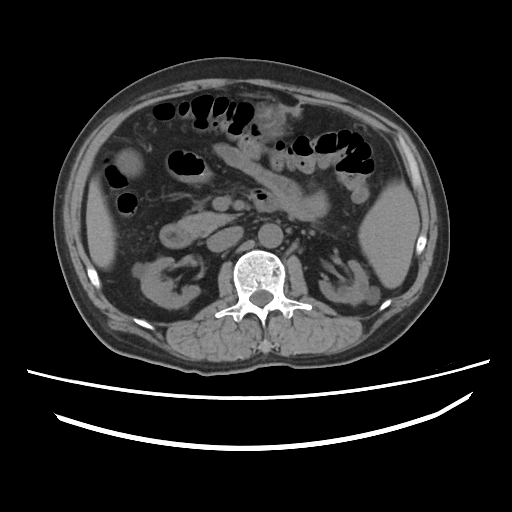
CT abdomen; axial plane, index 69; 512x512 px; acquired on Aquilion ONE
Organ boxes in pixel coordinates; each row gives the top-left (x1, y1) and bottom-right (x2, y2) corners.
| organ | x1 | y1 | x2 | y2 |
|---|---|---|---|---|
| pancreas | 177 | 211 | 236 | 237 |
| spleen | 358 | 181 | 419 | 288 |
| duodenum | 160 | 190 | 280 | 247 |
| stomach | 258 | 107 | 284 | 137 |
| gall bladder | 116 | 149 | 143 | 176 |
| aorta | 258 | 224 | 282 | 247 |
| left kidney | 319 | 260 | 376 | 304 |
| right kidney | 135 | 257 | 199 | 308 |
| inferior vena cava | 207 | 226 | 242 | 251 |
| liver | 86 | 178 | 115 | 268 |